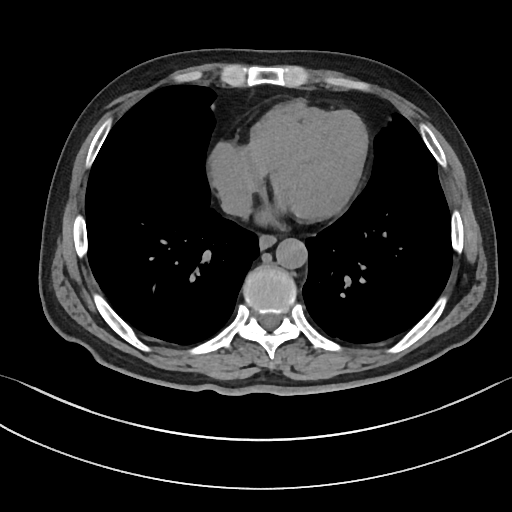 Lower-chest slice from an abdominal CT, just above the liver and spleen — axial plane, index 221 — soft-tissue window
The heart and lungs are never labeled in this dataset, so they have no box on this slice. Each box given as x1,y1,x2,y2. Labeled organs on this slice: esophagus at x1=258, y1=236, x2=275, y2=249, aorta at x1=276, y1=238, x2=307, y2=268, inferior vena cava at x1=221, y1=189, x2=250, y2=215.